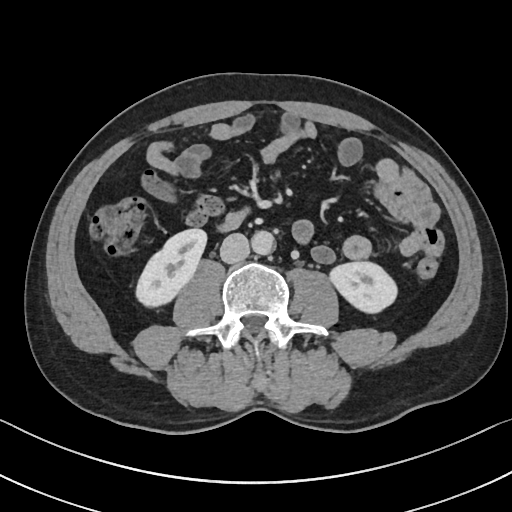
Abdominal CT. axial view. 512x512 px. SOMATOM Force scanner
<organs><organ name="right kidney" x1="134" y1="228" x2="207" y2="306"/><organ name="left kidney" x1="328" y1="261" x2="398" y2="315"/><organ name="aorta" x1="252" y1="231" x2="275" y2="255"/><organ name="inferior vena cava" x1="220" y1="233" x2="249" y2="263"/></organs>